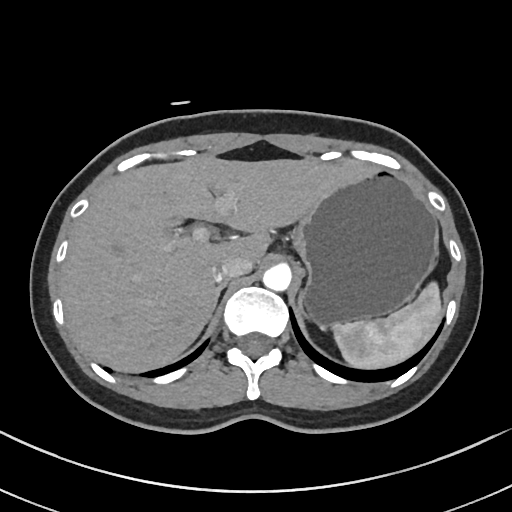
Abdominal CT; axial view; soft-tissue window
Bounding boxes in pixels, one row per box: x1, y1 is the top-left corner and x2, y2 the bottom-right.
| organ | x1 | y1 | x2 | y2 |
|---|---|---|---|---|
| spleen | 335 | 283 | 442 | 370 |
| liver | 61 | 154 | 369 | 373 |
| stomach | 294 | 167 | 438 | 324 |
| aorta | 262 | 262 | 290 | 290 |
| inferior vena cava | 211 | 257 | 251 | 279 |
| right adrenal gland | 207 | 280 | 228 | 323 |
| left adrenal gland | 298 | 290 | 307 | 314 |